CT, abdomen/pelvis — axial view — 512x512 px
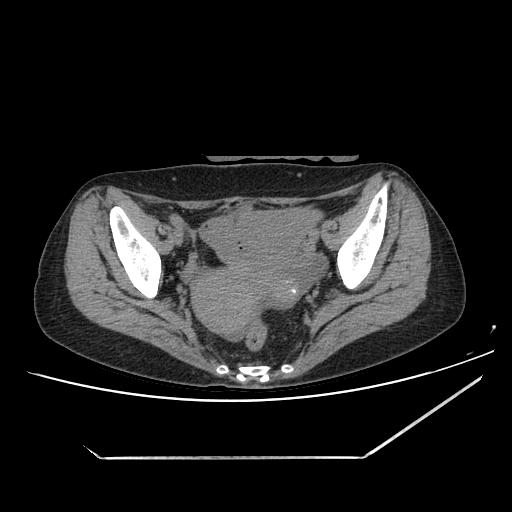
Box edges are left/top/right/bottom in pixels.
prostate/uterus: left=191, top=265, right=297, bottom=335